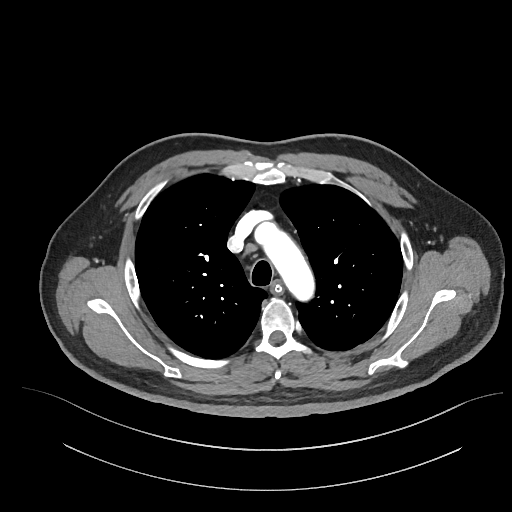
Abdominal CT reaching into the chest; this slice is in the chest; axial view; soft-tissue window, W/L 400/40; 512x512 px; acquired on SOMATOM Force; 15 organs annotated in this scan (a whole-scan count: organs this slice does not pass through have no box)
At this level of the chest no structure but the esophagus and the aorta has a label in this dataset, and those two are boxed only where they are labeled.
{"organs":{"esophagus":[271,283,281,291],"aorta":[267,234,312,296]}}